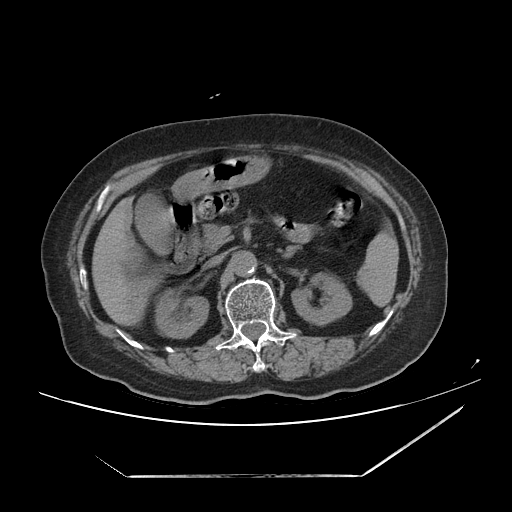 Abdominal CT — Axial slice 116/163 — abdomen soft-tissue window
Coordinates as <box>x1,y1,x2,y2</box> in pixels.
spleen: <box>356,233,399,308</box>
right kidney: <box>157,293,208,338</box>
left kidney: <box>291,274,351,326</box>
gall bladder: <box>135,189,172,254</box>
liver: <box>91,194,157,327</box>
stomach: <box>172,150,274,200</box>
aorta: <box>230,251,257,277</box>
inferior vena cava: <box>206,253,225,266</box>
pancreas: <box>198,222,319,252</box>
left adrenal gland: <box>279,249,294,260</box>
duodenum: <box>168,200,197,270</box>